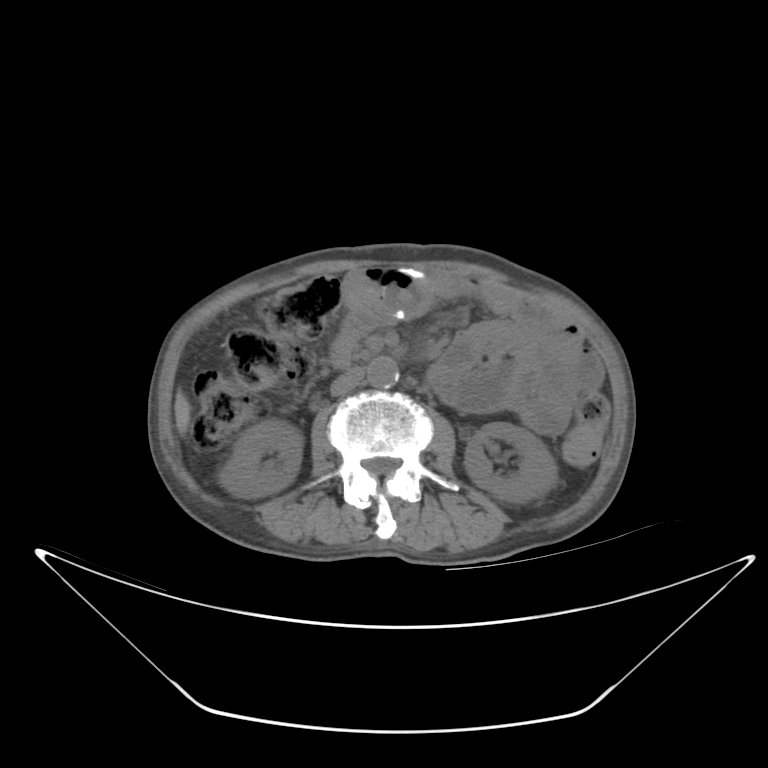 CT, abdomen/pelvis; axial plane, index 58; 768x768 px; Brilliance16 scanner
{"organs":{"right kidney":[220,417,302,498],"left kidney":[464,422,557,502],"liver":[175,388,190,434],"aorta":[366,356,398,388],"inferior vena cava":[329,367,362,395]}}